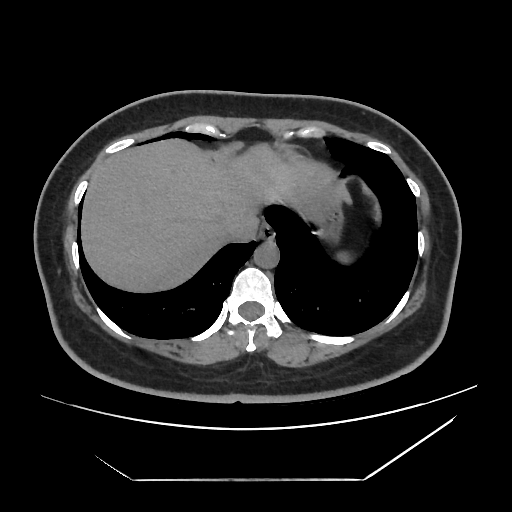

CT abdomen — axial view — 512x512 px — scan has 15 labeled organs (counted over the whole 3D scan, not this slice; an organ is boxed only where this slice passes through it)
<organs><organ name="esophagus" x1="259" y1="225" x2="274" y2="241"/><organ name="liver" x1="81" y1="139" x2="348" y2="291"/><organ name="stomach" x1="318" y1="191" x2="343" y2="223"/><organ name="aorta" x1="254" y1="241" x2="279" y2="268"/><organ name="inferior vena cava" x1="222" y1="216" x2="258" y2="242"/></organs>